CT abdomen · axial plane, index 175
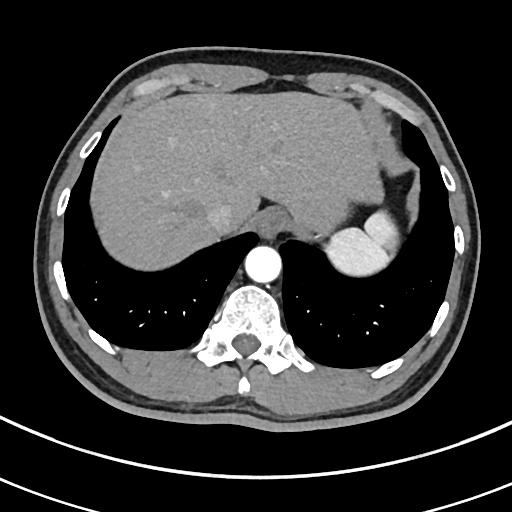

{"organs":{"spleen":[325,211,397,276],"esophagus":[255,207,287,238],"liver":[94,91,382,270],"aorta":[244,246,281,283],"inferior vena cava":[207,203,235,234]}}